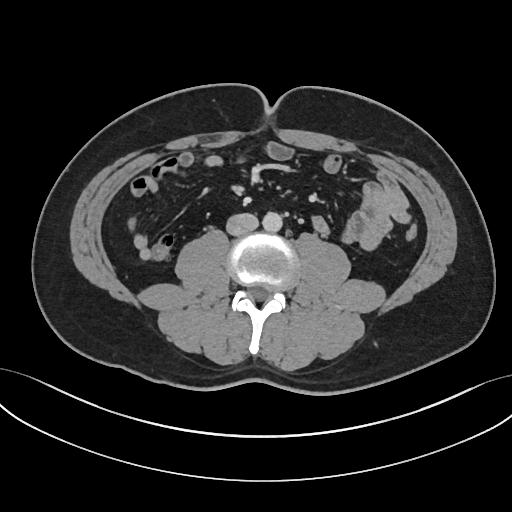 CT abdomen · axial view · 512x512 px
Boxes: x1 y1 x2 y2 (pixel coords, space-separated).
Organ bounding boxes:
- aorta: 262 212 282 232
- inferior vena cava: 226 213 258 235